CT, abdomen/pelvis; axial plane, index 20; soft-tissue window (W 400 / L 40); 768x768 px
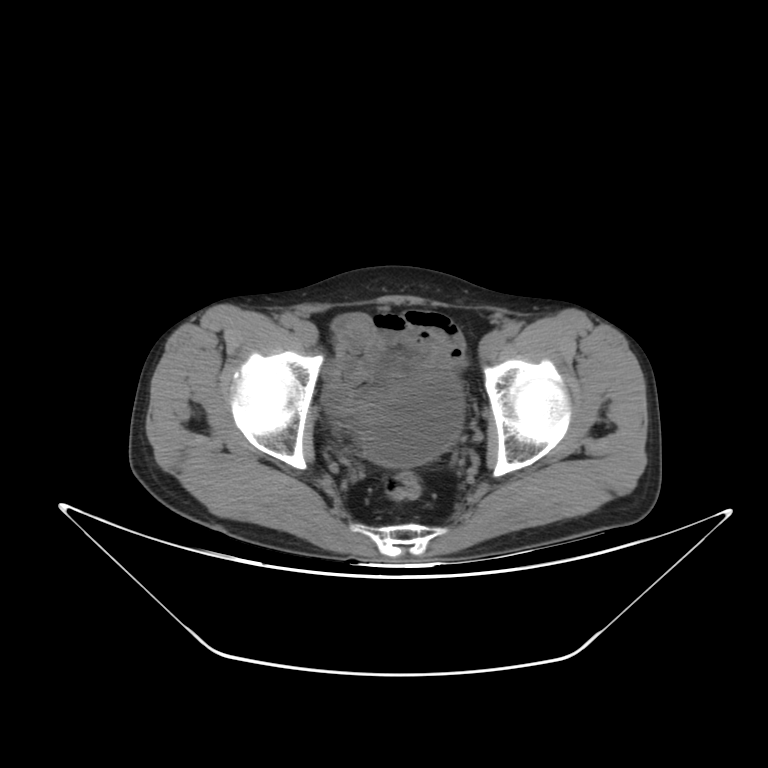 Box edges are left/top/right/bottom in pixels.
Organ bounding boxes:
- bladder: left=361, top=372, right=463, bottom=467